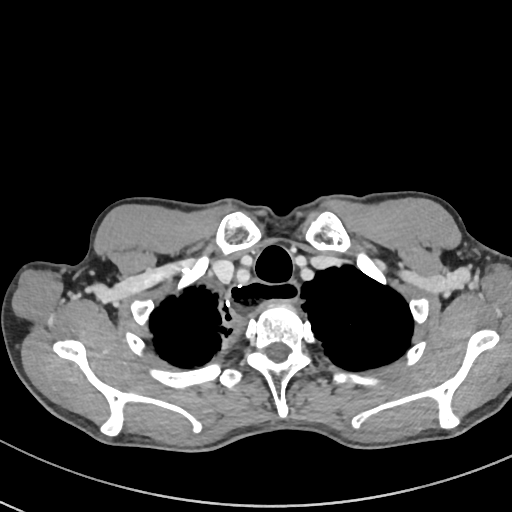 Abdominal CT reaching into the chest; this slice is in the chest — axial view — soft-tissue window (W 400 / L 40)
At this level of the chest this dataset labels only the esophagus and the aorta, and each is boxed only where it is labeled; the heart and lungs are never labeled.
Coordinates as <box>x1,y1,x2,y2</box> in pixels.
esophagus: <box>227,282,297,320</box>